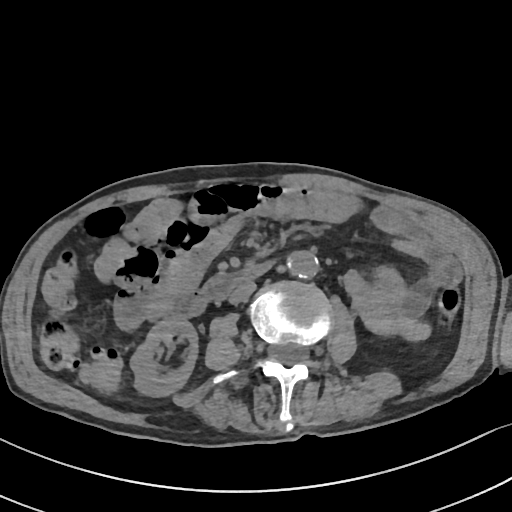

CT abdomen · axial view · W/L 400/40 HU
{"organs":{"right kidney":[131,316,198,396],"aorta":[285,250,318,277],"inferior vena cava":[228,280,255,303],"duodenum":[172,262,270,316]}}